Abdominal CT. axial view. abdomen soft-tissue window
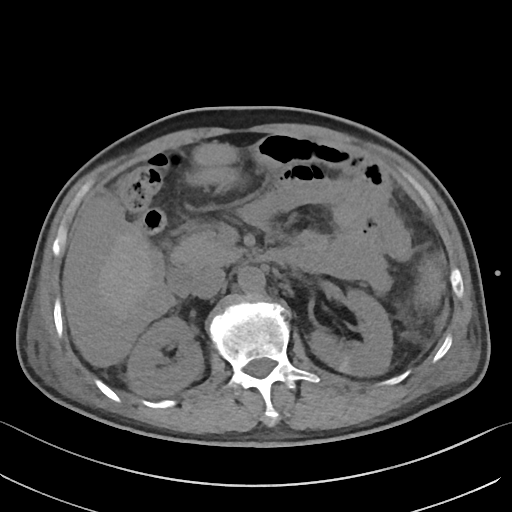
Organ boxes in pixel coordinates; each row gives the top-left (x1, y1) and bottom-right (x2, y2) corners.
| organ | x1 | y1 | x2 | y2 |
|---|---|---|---|---|
| spleen | 415 | 255 | 444 | 308 |
| right kidney | 127 | 317 | 203 | 396 |
| left kidney | 309 | 289 | 392 | 376 |
| liver | 97 | 235 | 154 | 317 |
| aorta | 238 | 266 | 265 | 294 |
| inferior vena cava | 193 | 267 | 225 | 298 |
| pancreas | 172 | 231 | 243 | 265 |
| duodenum | 166 | 249 | 287 | 296 |